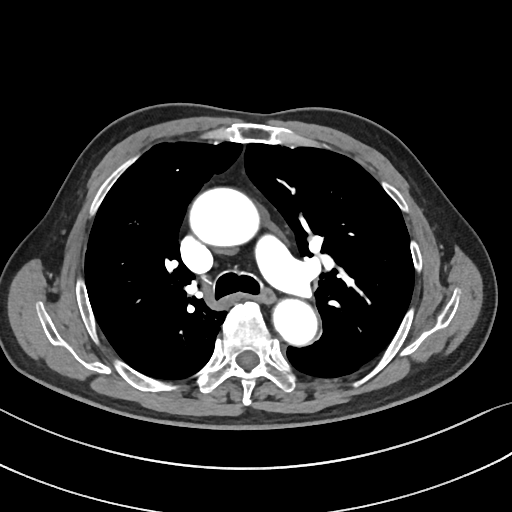

Chest-level CT slice, above the liver and spleen — Axial slice 253/306
At this level of the chest no structure but the esophagus and the aorta has a label in this dataset, and those two are boxed only where they are labeled. Bounding boxes as [x1, y1, x2, y2] in pixel coordinates. The annotated organs in this slice are: esophagus at [258, 290, 275, 303], aorta at [189, 187, 258, 246], aorta at [273, 299, 317, 345].